CT abdomen. axial view. soft-tissue window. acquired on SOMATOM Force
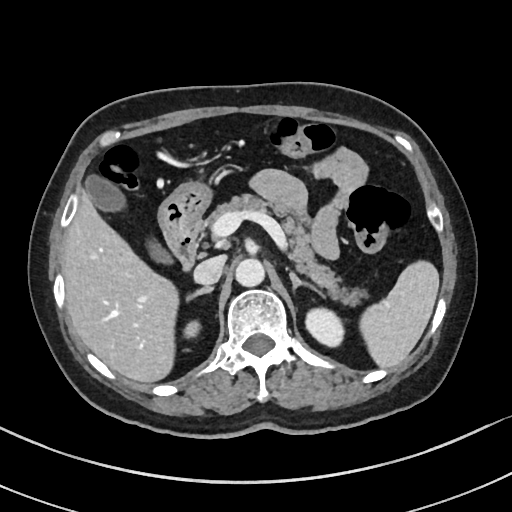

Boxes are (x1, y1, x2, y2) in pixels. 12 labeled organs on this slice — spleen at (361, 263, 439, 369); right kidney at (184, 319, 198, 337); left kidney at (305, 308, 341, 345); gall bladder at (84, 174, 175, 264); liver at (61, 186, 180, 383); stomach at (158, 182, 212, 246); aorta at (234, 259, 264, 287); inferior vena cava at (193, 255, 225, 286); pancreas at (214, 194, 357, 303); right adrenal gland at (188, 286, 213, 300); left adrenal gland at (289, 272, 322, 294); duodenum at (172, 219, 200, 270).